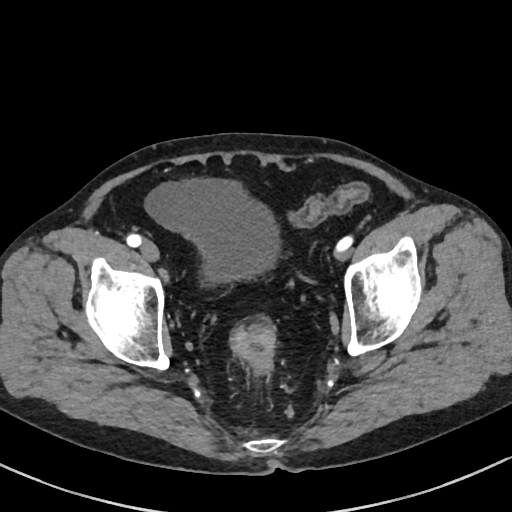
CT abdomen. axial view. soft-tissue window. scan has 15 labeled organs (a whole-scan count: organs this slice does not pass through have no box)
Box edges are left/top/right/bottom in pixels.
bladder: left=146, top=177, right=280, bottom=280